CT abdomen. Axial slice 89/99. W/L 400/40 HU. scan has 15 labeled organs (counted over the whole 3D scan, not this slice; an organ is boxed only where this slice passes through it)
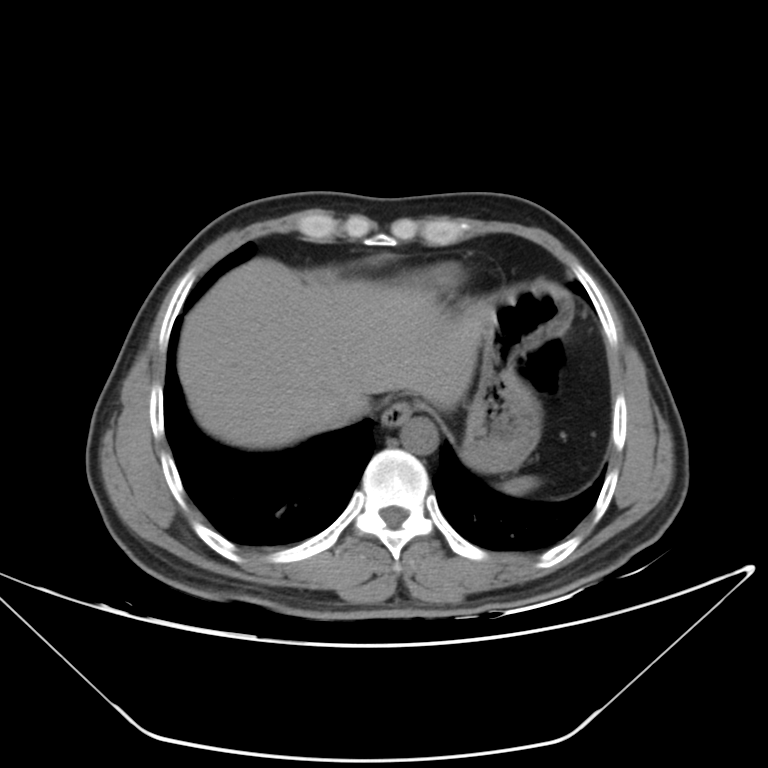

Box edges are left/top/right/bottom in pixels. 6 labeled organs on this slice — spleen at left=501, top=476, right=537, bottom=495; esophagus at left=381, top=402, right=412, bottom=427; liver at left=178, top=258, right=487, bottom=448; stomach at left=463, top=282, right=572, bottom=472; aorta at left=400, top=417, right=438, bottom=454; inferior vena cava at left=317, top=393, right=364, bottom=428.